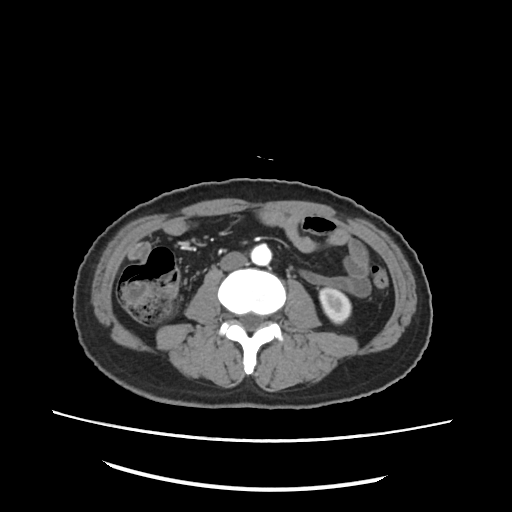
CT, abdomen/pelvis; axial view
Boxes: x1:y1:x2:y2 in pixels.
left kidney: 320:288:351:322
aorta: 251:243:272:264
inferior vena cava: 219:250:248:270